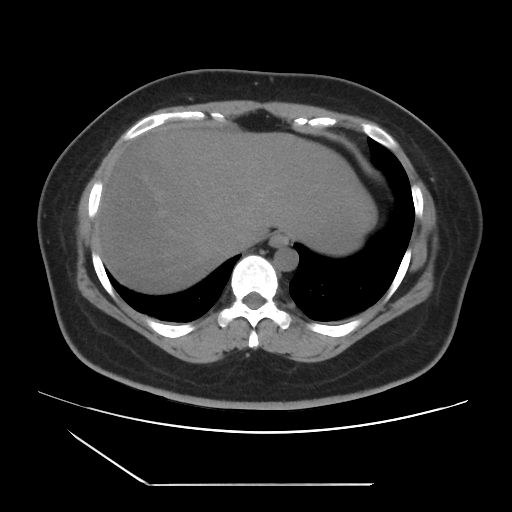

Computed tomography, abdomen — axial plane, index 77 — W/L 400/40 HU — acquired on SOMATOM Force — 15 organs annotated in this scan (that count is for the whole scan; organs this slice misses have no box)
Each box given as x1,y1,x2,y2. Labeled organs on this slice: inferior vena cava at x1=227, y1=231, x2=253, y2=252, liver at x1=97, y1=126, x2=367, y2=293, stomach at x1=310, y1=195, x2=376, y2=256, aorta at x1=274, y1=247, x2=298, y2=270, esophagus at x1=269, y1=233, x2=289, y2=247.